CT abdomen · Axial slice 142/218 · 15 organs annotated in this scan (counted over the whole 3D scan, not this slice; an organ is boxed only where this slice passes through it)
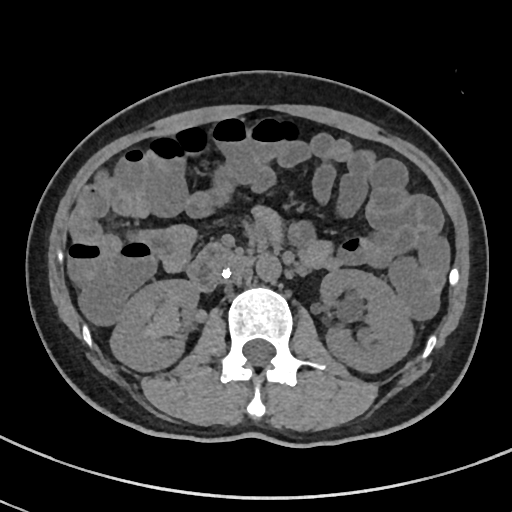
{"organs":{"right kidney":[110,279,198,370],"left kidney":[320,269,413,372],"aorta":[256,255,281,282],"inferior vena cava":[221,264,244,287],"pancreas":[215,248,243,266],"duodenum":[188,243,250,291]}}